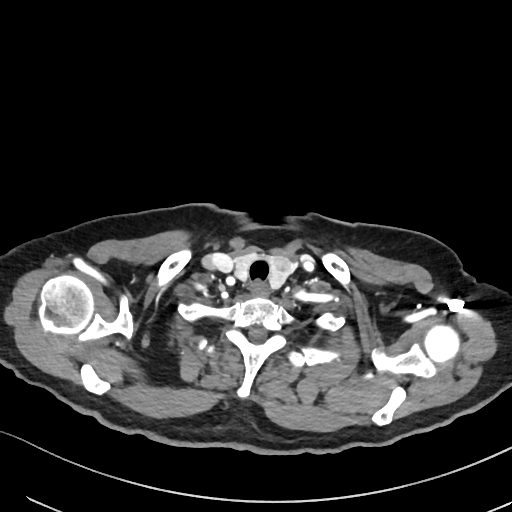
Abdominal CT reaching into the chest; this slice is in the chest. axial view. 512x512 px
At this level of the chest this dataset labels only the esophagus and the aorta, and each is boxed only where it is labeled; the heart and lungs are never labeled. Boxes: x1 y1 x2 y2 (pixel coords, space-separated). The annotated organs in this slice are: esophagus at 250 282 269 295.